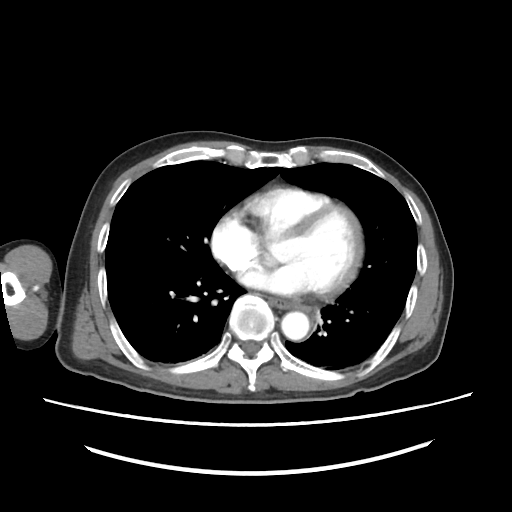
CT of the abdomen reaching into the lower chest, slice just above the liver and spleen. axial plane, index 97. W/L 400/40 HU. 512x512 px. 61-year-old male patient. 14 organs annotated in this scan (counted over the whole 3D scan, not this slice; an organ is boxed only where this slice passes through it)
Of the structures in the chest, this dataset labels only the esophagus, the aorta and the inferior vena cava; the heart and lungs have no label. Box edges are left/top/right/bottom in pixels. Labeled organs on this slice: esophagus at left=265, top=297, right=312, bottom=311, aorta at left=282, top=312, right=309, bottom=339.